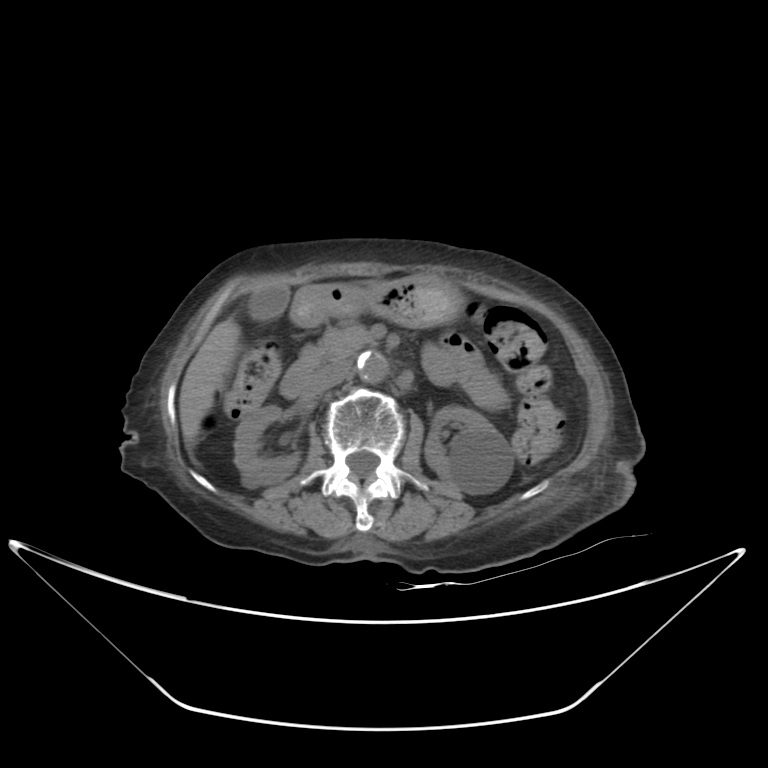 Abdominal CT — axial view — abdomen soft-tissue window — 768x768 px — female patient aged 90 or older
{"organs":{"inferior vena cava":[308,361,350,393],"duodenum":[279,345,324,398],"liver":[180,318,241,448],"gall bladder":[249,282,289,321],"right kidney":[233,405,299,485],"stomach":[290,276,463,328],"left kidney":[424,405,513,494],"pancreas":[318,325,371,360],"aorta":[356,352,387,383]}}